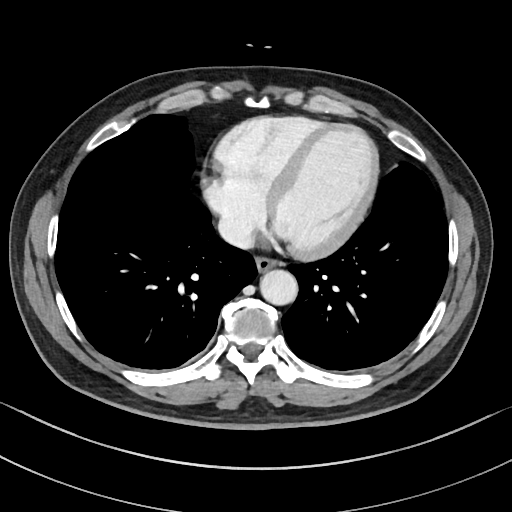

CT of the abdomen reaching into the lower chest, slice just above the liver and spleen · axial view · 512x512 px
The heart and lungs are never labeled in this dataset, so they have no box on this slice.
<organs><organ name="aorta" x1="259" y1="268" x2="297" y2="305"/><organ name="inferior vena cava" x1="218" y1="215" x2="255" y2="248"/><organ name="esophagus" x1="256" y1="255" x2="279" y2="271"/></organs>